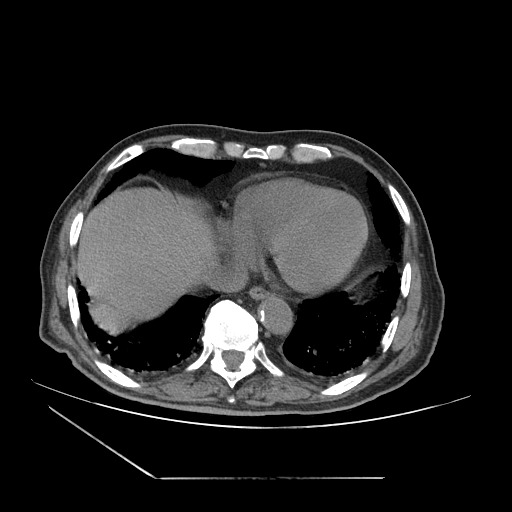
Computed tomography, abdomen; Axial slice 167/187; abdomen soft-tissue window; acquired on SOMATOM Force
{"organs":{"esophagus":[249,286,270,299],"aorta":[259,296,292,333],"liver":[76,187,218,334],"inferior vena cava":[204,262,248,291]}}